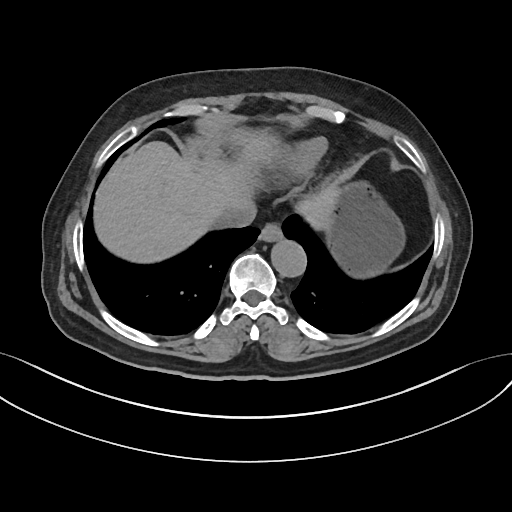

Computed tomography, abdomen · axial plane, index 187 · abdomen soft-tissue window
Boxes: x1:y1:x2:y2 in pixels. The annotated organs in this slice are: esophagus at 259:225:282:242, liver at 96:135:338:261, stomach at 323:184:403:277, aorta at 272:241:307:278, inferior vena cava at 216:203:255:227.